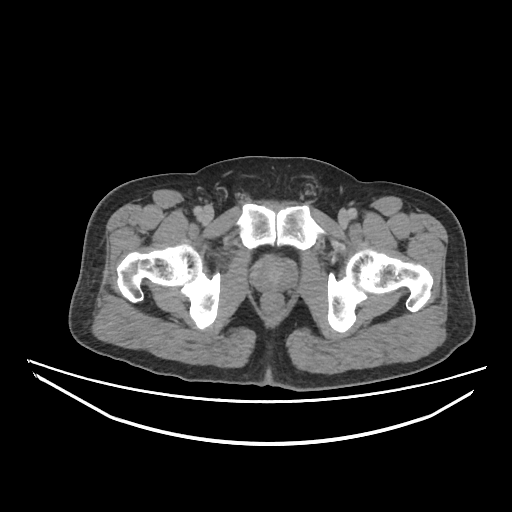

CT abdomen — axial view — soft-tissue window — 55-year-old male patient
Bounding boxes as [x1, y1, x2, y2] in pixel coordinates. The annotated organs in this slice are: prostate/uterus at [253, 256, 295, 293].